CT, abdomen/pelvis · axial view
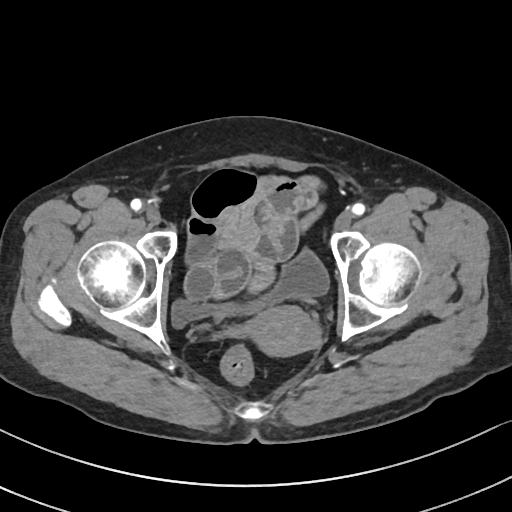
Bounding boxes in pixels, one row per box: x1, y1 is the top-left corner and x2, y2 the bottom-right.
| organ | x1 | y1 | x2 | y2 |
|---|---|---|---|---|
| prostate/uterus | 245 | 306 | 319 | 356 |
| bladder | 171 | 250 | 329 | 327 |